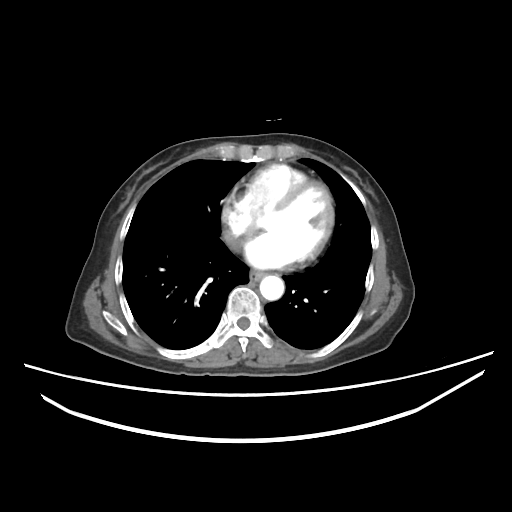 Abdominal CT; this slice is in the lower chest, just above the liver; axial view; soft-tissue window, W/L 400/40
Of the structures in the chest, this dataset labels only the esophagus, the aorta and the inferior vena cava; the heart and lungs have no label.
{"organs":{"aorta":[260,275,283,299],"esophagus":[249,270,265,280],"inferior vena cava":[222,227,244,249]}}